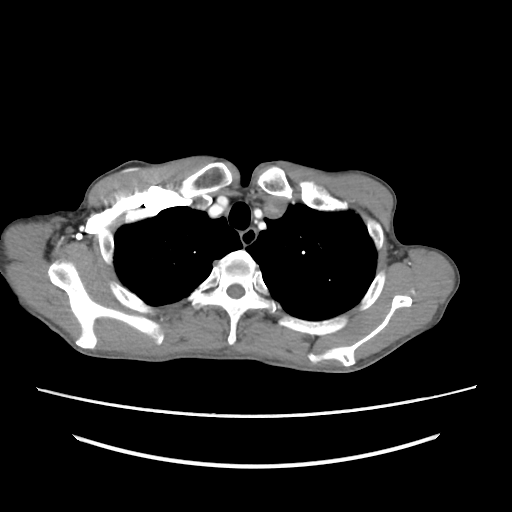
Chest-level CT slice, above the liver and spleen; axial view; 62-year-old male patient
At this level of the chest no structure but the esophagus and the aorta has a label in this dataset, and those two are boxed only where they are labeled.
<organs><organ name="esophagus" x1="240" y1="230" x2="256" y2="243"/></organs>